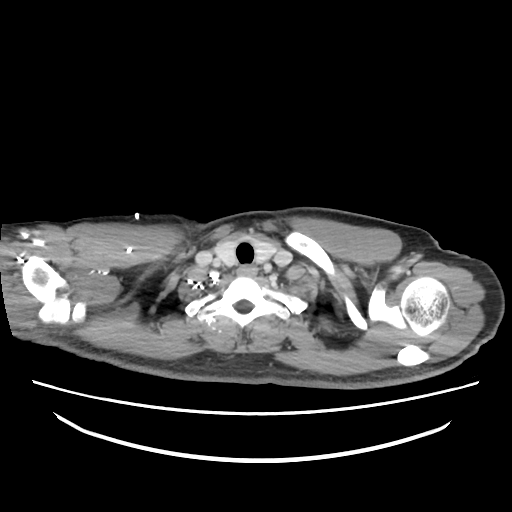
Chest-level slice from an abdominal CT that extends up into the chest — axial view — soft-tissue window, W/L 400/40 — scan has 15 labeled organs (counted over the whole 3D scan, not this slice; an organ is boxed only where this slice passes through it)
At this level of the chest no structure but the esophagus and the aorta has a label in this dataset, and those two are boxed only where they are labeled.
Each box given as x1,y1,x2,y2.
Organ bounding boxes:
- esophagus: x1=236, y1=265, x2=256, y2=276